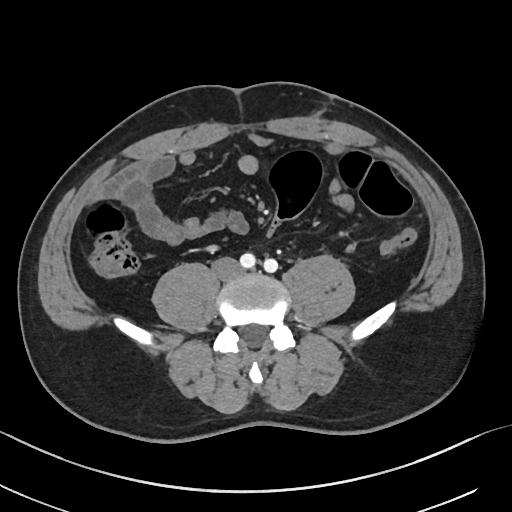
CT, abdomen/pelvis; Axial slice 106/307; 512x512 px
Coordinates as <box>x1,y1,x2,y2</box> in pixels.
inferior vena cava: <box>212,257,243,279</box>